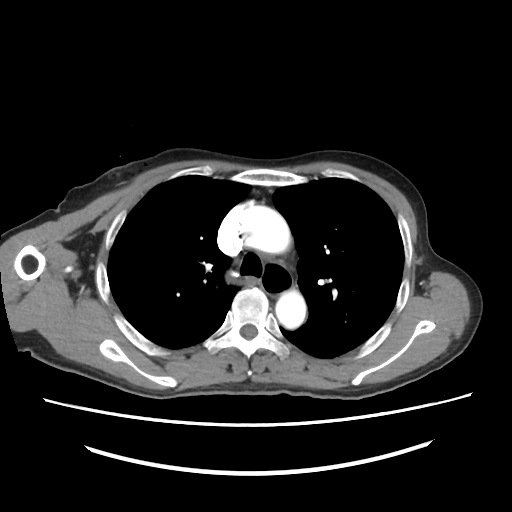

CT of the abdomen extending into the chest, slice through the chest — axial view — 512x512 px — 14 organs annotated in this scan (that count is for the whole scan; organs this slice misses have no box)
At this level of the chest no structure but the esophagus and the aorta has a label in this dataset, and those two are boxed only where they are labeled.
{"organs":{"esophagus":[262,261,293,296],"aorta":[[238,205,291,258],[274,292,305,332]]}}